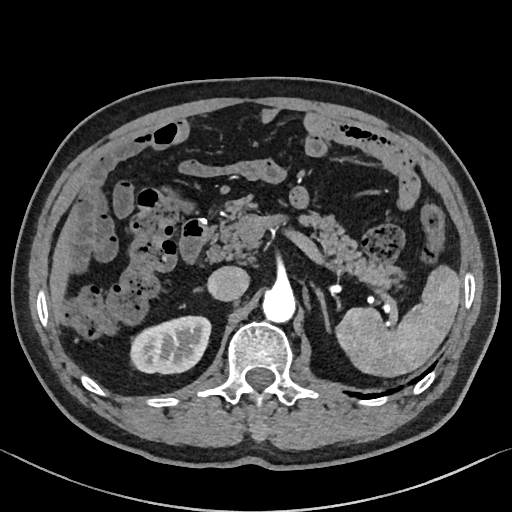 Abdominal CT — axial view — abdomen soft-tissue window
Boxes: x1:y1:x2:y2 in pixels.
spleen: 335:266:461:377
right kidney: 131:316:209:374
liver: 48:218:68:323
aorta: 262:287:295:323
inferior vena cava: 208:266:248:301
pancreas: 207:199:399:286
right adrenal gland: 194:291:204:293
left adrenal gland: 317:291:328:328
duodenum: 180:218:210:259